CT, abdomen/pelvis; axial view; abdomen soft-tissue window; 768x768 px
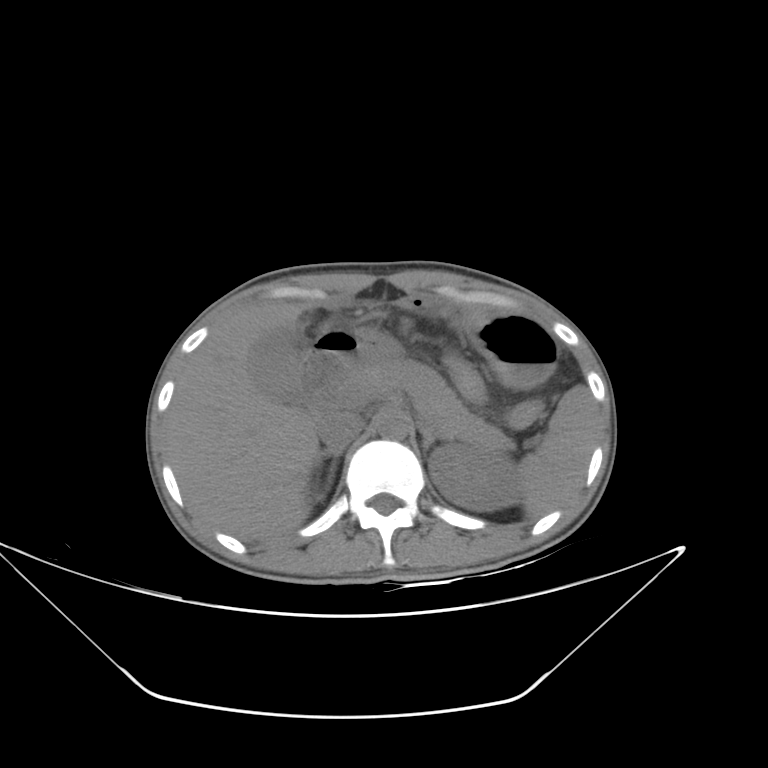
{"organs":{"spleen":[519,385,598,519],"left kidney":[428,443,523,511],"gall bladder":[250,326,302,398],"liver":[165,302,322,540],"stomach":[314,312,558,384],"aorta":[377,411,409,439],"inferior vena cava":[316,411,364,450],"pancreas":[347,353,513,449],"right adrenal gland":[315,450,342,496],"left adrenal gland":[420,427,445,455],"duodenum":[297,347,348,402]}}